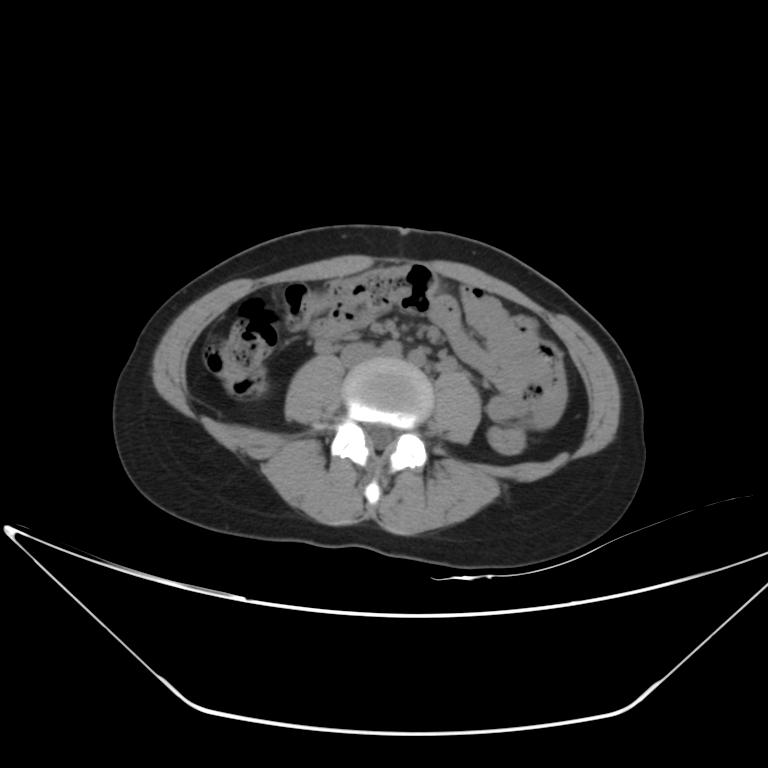 CT, abdomen/pelvis · axial view
{"organs":{"inferior vena cava":[342,344,376,364]}}